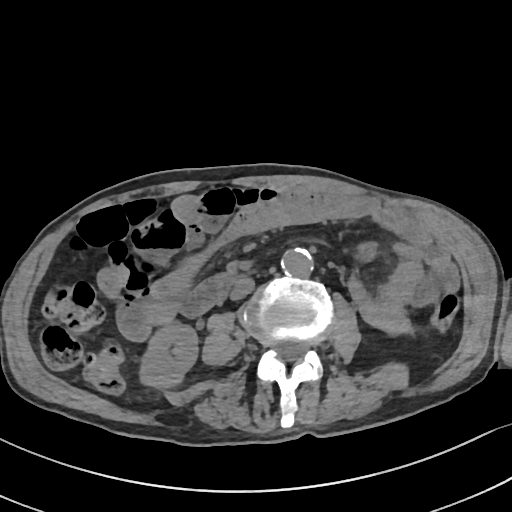

Abdominal CT — axial view — 512x512 px — SOMATOM Force scanner
{"organs":{"aorta":[280,247,311,277],"duodenum":[182,276,233,314],"right kidney":[141,324,197,386],"inferior vena cava":[230,276,254,299]}}